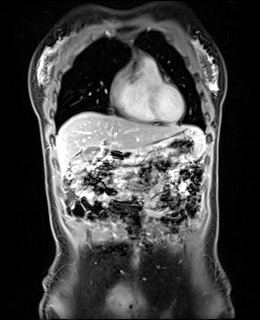 MRI, abdomen. coronal view. 260x320 px
Each box given as x1,y1,x2,y2.
stomach: x1=121, y1=129, x2=204, y2=164
gall bladder: x1=83, y1=150, x2=99, y2=157
duodenum: x1=108, y1=150, x2=127, y2=162
liver: x1=56, y1=112, x2=204, y2=176